CT of the abdomen extending into the chest, slice through the chest · axial view · soft-tissue window, W/L 400/40 · 512x512 px
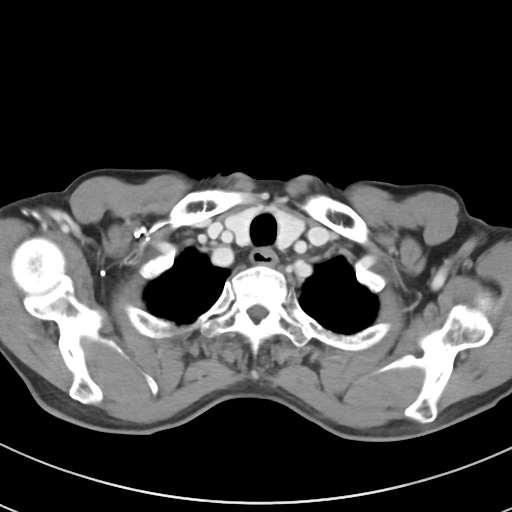 At this level of the chest this dataset labels only the esophagus and the aorta, and each is boxed only where it is labeled; the heart and lungs are never labeled.
<organs><organ name="esophagus" x1="250" y1="248" x2="279" y2="267"/></organs>